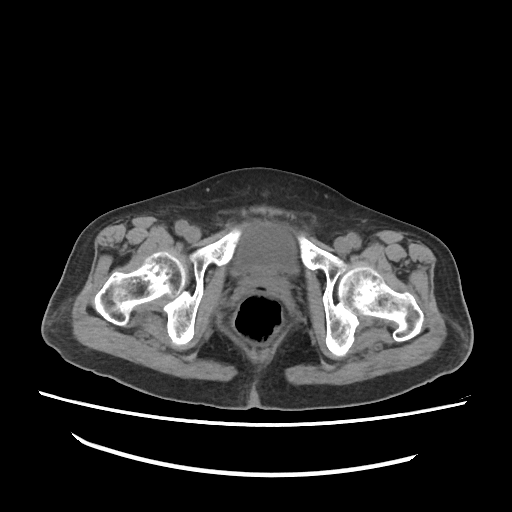 CT abdomen; axial view; abdomen soft-tissue window; 512x512 px
Box edges are left/top/right/bottom in pixels.
bladder: left=233, top=225, right=297, bottom=276